Computed tomography, abdomen — axial view — W/L 400/40 HU
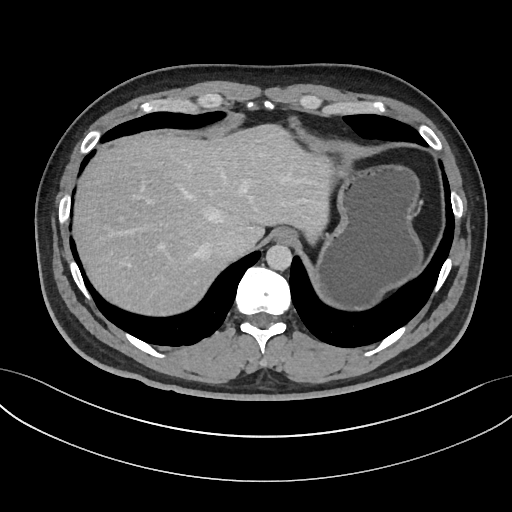 One row per box, in pixels: columns x1 and y1 give the top-left corner, x2 and y2 the bottom-right.
| organ | x1 | y1 | x2 | y2 |
|---|---|---|---|---|
| esophagus | 270 | 227 | 295 | 243 |
| liver | 74 | 126 | 333 | 315 |
| stomach | 316 | 148 | 420 | 308 |
| aorta | 266 | 244 | 292 | 270 |
| inferior vena cava | 212 | 229 | 249 | 258 |